Abdominal CT — axial view
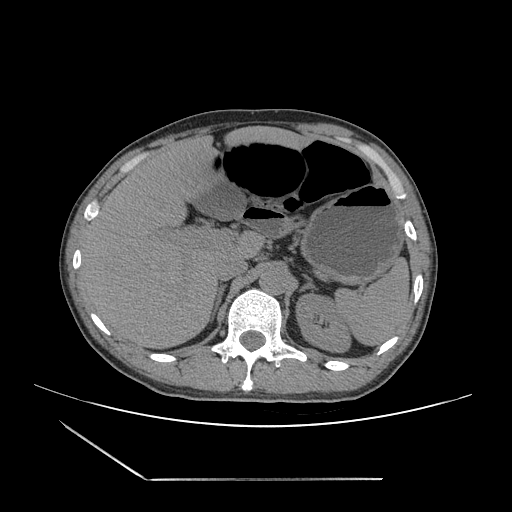 Boxes: x1 y1 x2 y2 (pixel coords, space-separated). 10 labeled organs on this slice — spleen at 334 257 409 345; left kidney at 296 294 350 352; gall bladder at 193 185 245 219; liver at 85 126 312 348; stomach at 284 184 403 284; aorta at 259 267 288 294; inferior vena cava at 214 255 247 280; right adrenal gland at 211 285 225 320; left adrenal gland at 299 276 316 292; duodenum at 239 211 284 237.